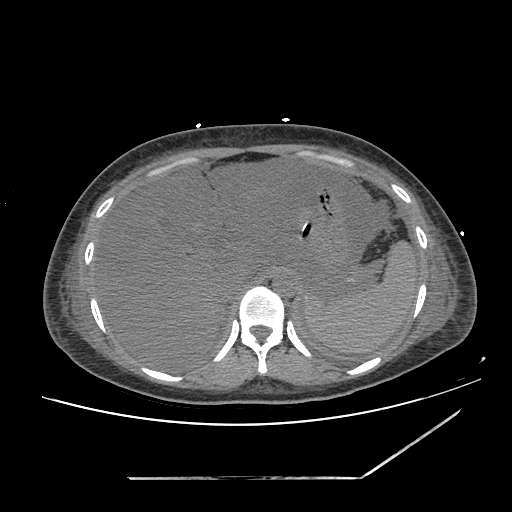
Computed tomography, abdomen. axial view. W/L 400/40 HU. scan has 15 labeled organs (that count is for the whole scan; organs this slice misses have no box)
Coordinates as <box>x1,y1,x2,y2</box> in pixels. 5 labeled organs on this slice — inferior vena cava at <box>220,270,254,302</box>; spleen at <box>304,240,417,354</box>; stomach at <box>287,185,347,297</box>; aorta at <box>272,272,297,297</box>; liver at <box>93,157,296,371</box>.